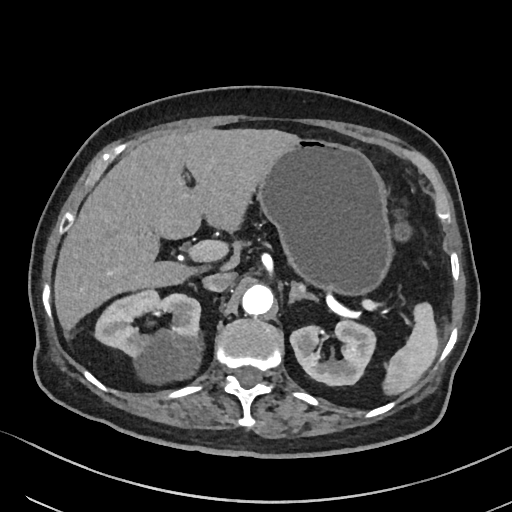 Computed tomography, abdomen. axial view. W/L 400/40 HU. 512x512 px
Boxes: x1 y1 x2 y2 (pixel coords, space-separated).
Organ bounding boxes:
- right kidney: 96 292 205 380
- inferior vena cava: 202 272 234 291
- aorta: 241 285 273 316
- stomach: 258 139 391 295
- liver: 54 128 301 332
- spleen: 381 301 438 396
- left adrenal gland: 288 283 318 305
- left kidney: 289 321 374 385